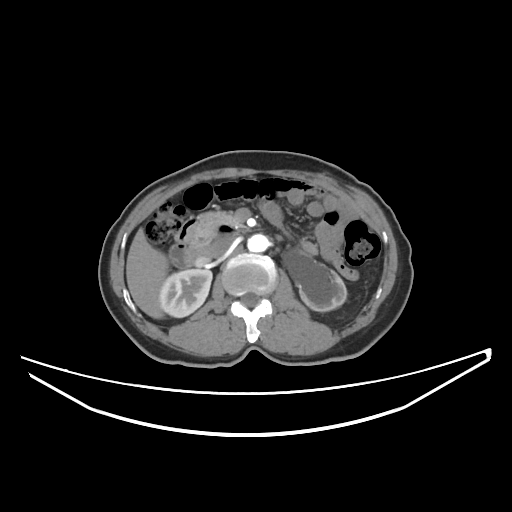

CT, abdomen/pelvis. axial view. 62-year-old male patient
Boxes: x1 y1 x2 y2 (pixel coords, space-separated). Labeled organs on this slice: left kidney at 296 264 346 311, inferior vena cava at 210 236 234 257, duodenum at 176 215 237 256, pancreas at 190 211 243 245, aorta at 247 234 268 252, right kidney at 159 269 212 317, liver at 126 228 168 318.